CT, abdomen/pelvis. axial view
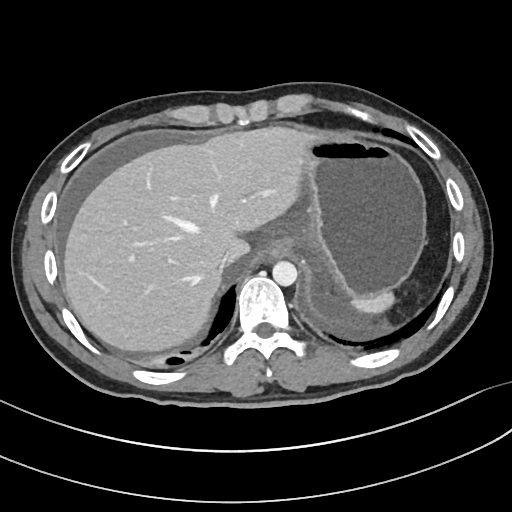

One row per box, in pixels: columns x1 and y1 give the top-left corner, x2 and y2 the bottom-right.
| organ | x1 | y1 | x2 | y2 |
|---|---|---|---|---|
| spleen | 350 | 291 | 395 | 314 |
| liver | 62 | 126 | 305 | 353 |
| stomach | 267 | 132 | 425 | 300 |
| aorta | 272 | 261 | 297 | 285 |
| inferior vena cava | 220 | 252 | 230 | 271 |